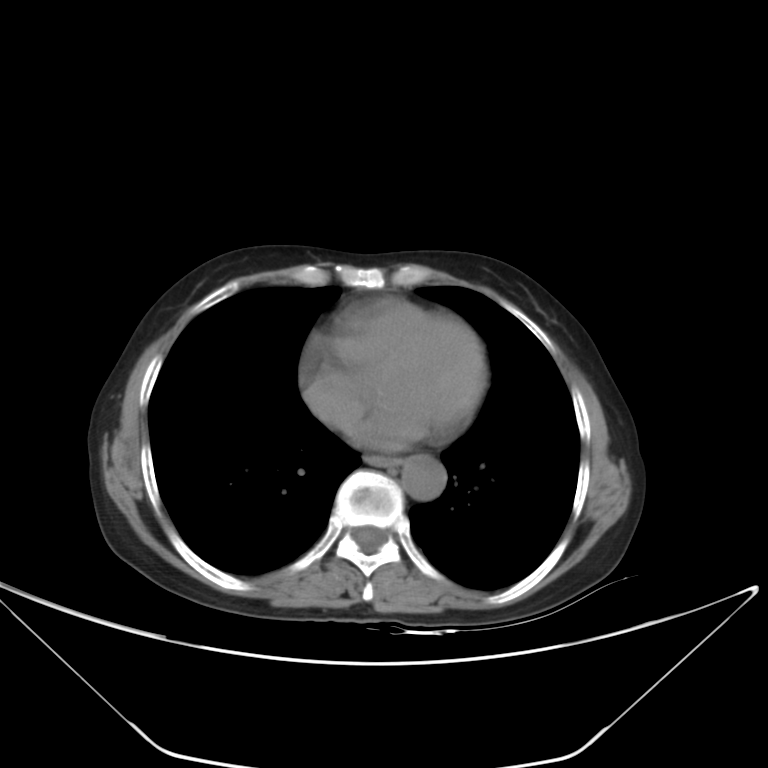

Abdominal CT; this slice is in the lower chest, just above the liver — axial plane, index 82 — W/L 400/40 HU — scan has 15 labeled organs (a whole-scan count: organs this slice does not pass through have no box)
No part of the heart or lungs is labeled in this dataset, so neither has a box here.
<organs><organ name="esophagus" x1="364" y1="455" x2="401" y2="465"/><organ name="aorta" x1="401" y1="455" x2="446" y2="500"/></organs>